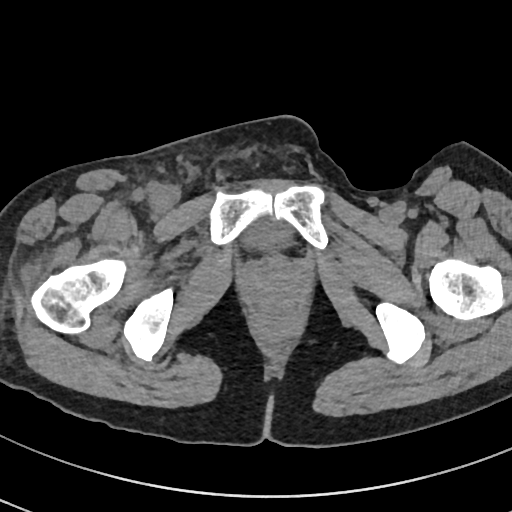 CT, abdomen/pelvis · Axial slice 10/218 · W/L 400/40 HU
Boxes: x1 y1 x2 y2 (pixel coords, space-separated). 1 labeled organ on this slice — bladder at 244 219 289 247.